Chest-level CT slice, above the liver and spleen — axial plane, index 324
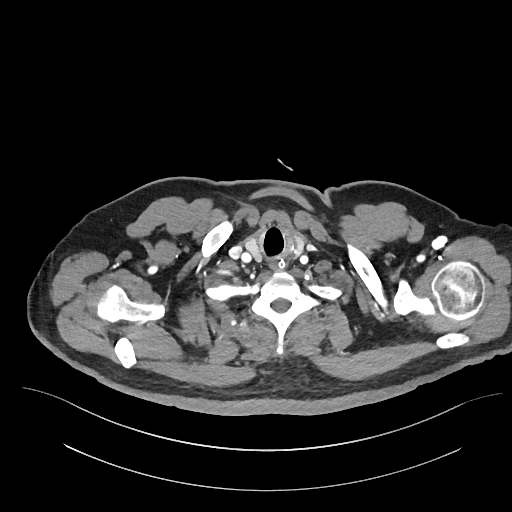 On a slice this high in the chest, this dataset labels only the esophagus and the aorta, and each is boxed only where it is labeled; the heart, lungs and other chest structures are not labeled. Boxes are (x1, y1, x2, y2) in pixels. Labeled organs on this slice: esophagus at (270, 257, 284, 270).